CT abdomen · Axial slice 31/191 · abdomen soft-tissue window · 512x512 px
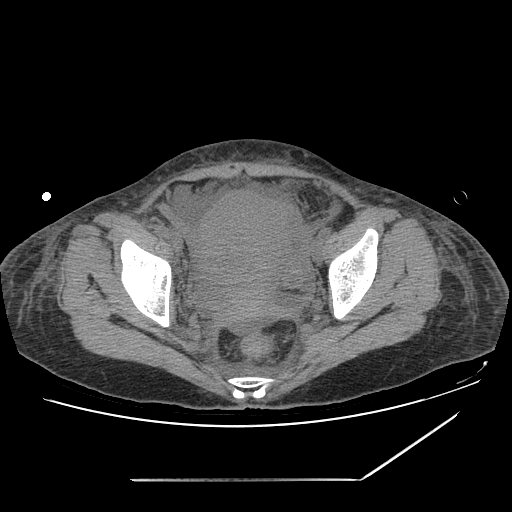
Box edges are left/top/right/bottom in pixels.
prostate/uterus: left=199, top=191, right=288, bottom=320